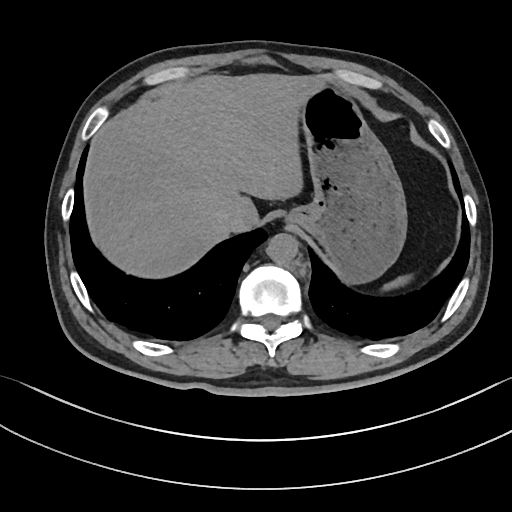
Abdominal CT — Axial slice 196/231 — scan has 15 labeled organs (that count is for the whole scan; organs this slice misses have no box)
<organs><organ name="spleen" x1="382" y1="274" x2="408" y2="288"/><organ name="liver" x1="82" y1="73" x2="317" y2="279"/><organ name="stomach" x1="291" y1="81" x2="407" y2="285"/><organ name="aorta" x1="266" y1="233" x2="297" y2="264"/><organ name="inferior vena cava" x1="220" y1="207" x2="243" y2="232"/></organs>